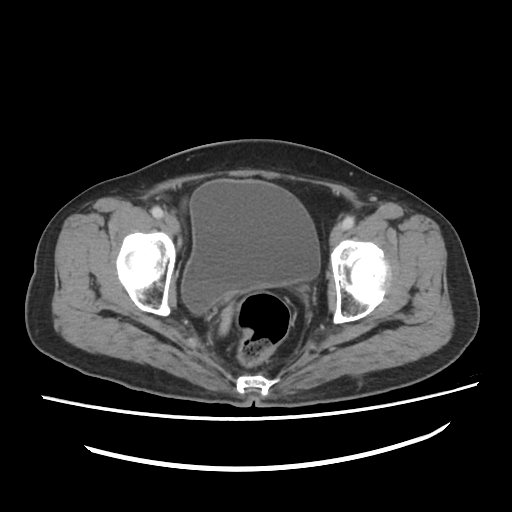 Abdominal CT. axial view. abdomen soft-tissue window. 512x512 px
Box edges are left/top/right/bottom in pixels. Labeled organs on this slice: bladder at left=181, top=179, right=320, bottom=312.